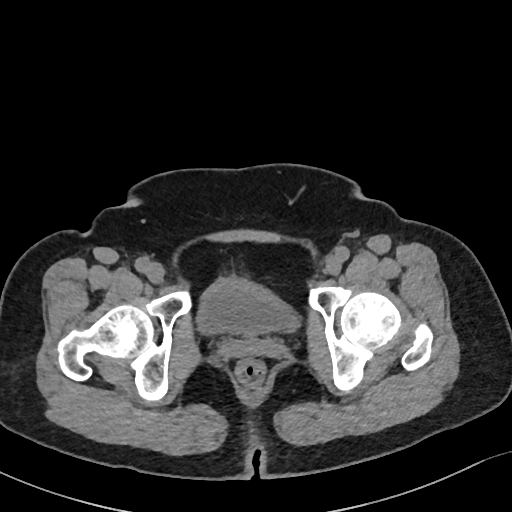
Computed tomography, abdomen; axial plane, index 15; W/L 400/40 HU
Boxes: x1:y1:x2:y2 in pixels.
bladder: 196:278:299:335